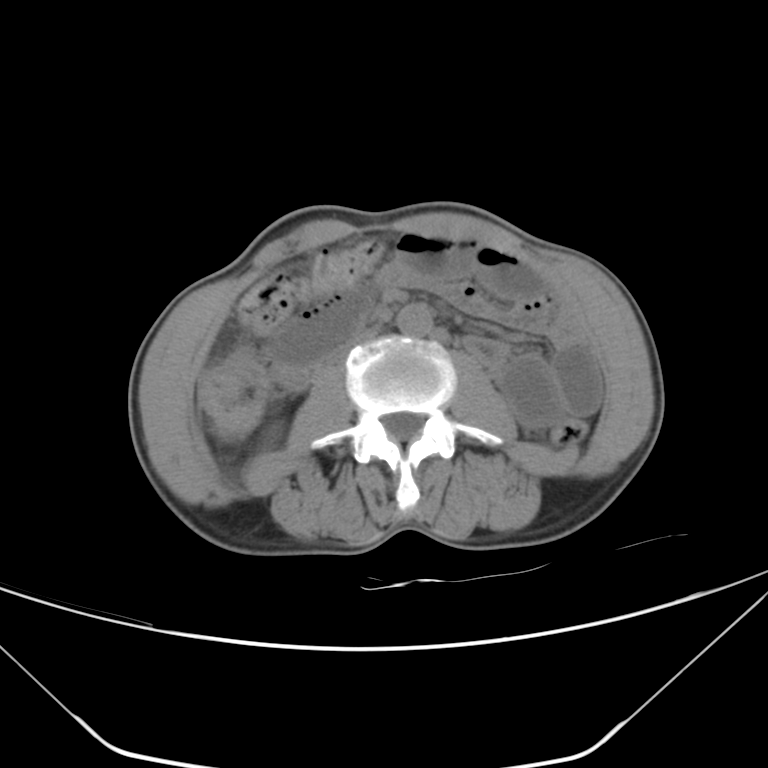

Computed tomography, abdomen — axial plane, index 48 — 768x768 px
Boxes: x1:y1:x2:y2 in pixels.
duodenum: 278:370:307:389
aorta: 397:304:432:336
inferior vena cava: 335:329:380:360